Computed tomography, abdomen; axial plane, index 140; 512x512 px
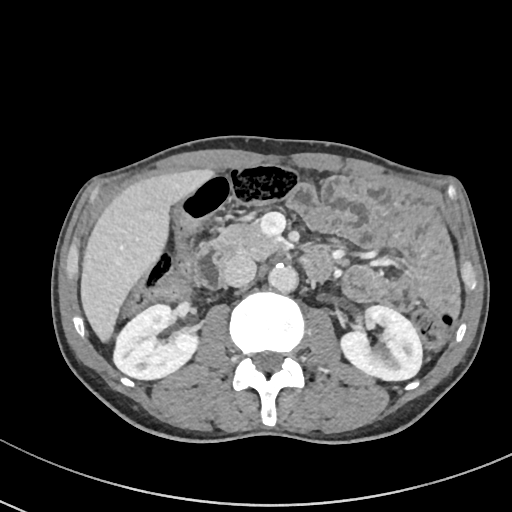 Bounding boxes in pixels, one row per box: x1, y1 is the top-left corner and x2, y2 the bottom-right.
| organ | x1 | y1 | x2 | y2 |
|---|---|---|---|---|
| right kidney | 114 | 304 | 201 | 380 |
| left kidney | 338 | 305 | 422 | 381 |
| liver | 80 | 167 | 217 | 344 |
| aorta | 268 | 264 | 298 | 293 |
| inferior vena cava | 221 | 253 | 256 | 287 |
| pancreas | 212 | 222 | 283 | 258 |
| duodenum | 194 | 243 | 334 | 288 |